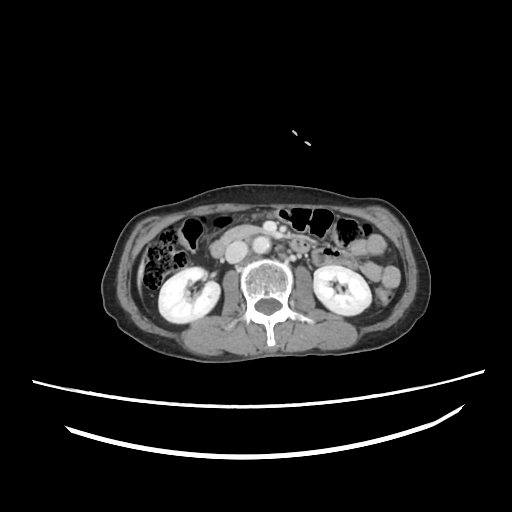

Computed tomography, abdomen — axial view — scan has 15 labeled organs (a whole-scan count: organs this slice does not pass through have no box)
Box edges are left/top/right/bottom in pixels.
Organ bounding boxes:
- right kidney: left=159, top=267, right=219, bottom=322
- aorta: left=253, top=236, right=271, bottom=253
- left kidney: left=314, top=265, right=371, bottom=314
- inferior vena cava: left=224, top=240, right=248, bottom=262
- pancreas: left=223, top=226, right=261, bottom=243
- liver: left=138, top=263, right=142, bottom=285
- duodenum: left=210, top=241, right=228, bottom=257